CT, abdomen/pelvis; axial view; soft-tissue window
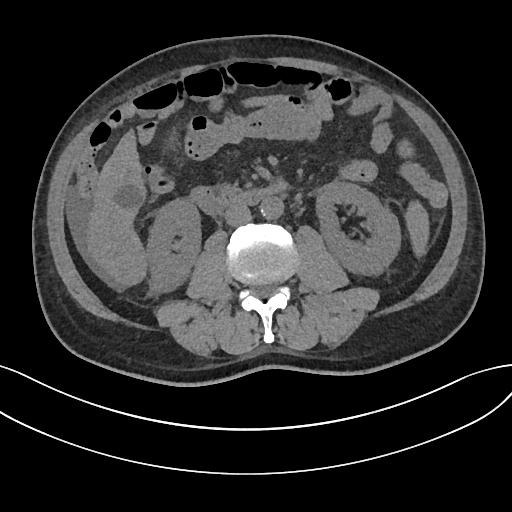 <organs><organ name="spleen" x1="405" y1="201" x2="428" y2="256"/><organ name="right kidney" x1="146" y1="199" x2="200" y2="291"/><organ name="left kidney" x1="316" y1="181" x2="400" y2="274"/><organ name="liver" x1="87" y1="131" x2="146" y2="285"/><organ name="aorta" x1="260" y1="196" x2="283" y2="219"/><organ name="inferior vena cava" x1="224" y1="204" x2="251" y2="226"/><organ name="duodenum" x1="189" y1="183" x2="284" y2="215"/></organs>